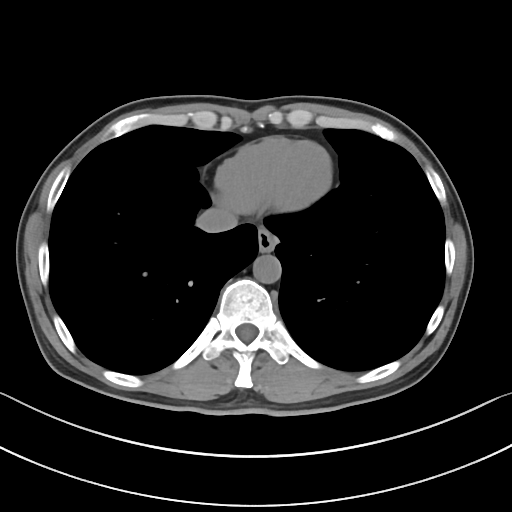
Abdominal CT; this slice is in the lower chest, just above the liver · Axial slice 84/87 · 15 organs annotated in this scan (a whole-scan count: organs this slice does not pass through have no box)
The heart and lungs are never labeled in this dataset, so they have no box on this slice. Boxes: x1 y1 x2 y2 (pixel coords, space-separated). The annotated organs in this slice are: esophagus at 257 228 277 252, aorta at 253 255 281 283, inferior vena cava at 196 208 237 232.